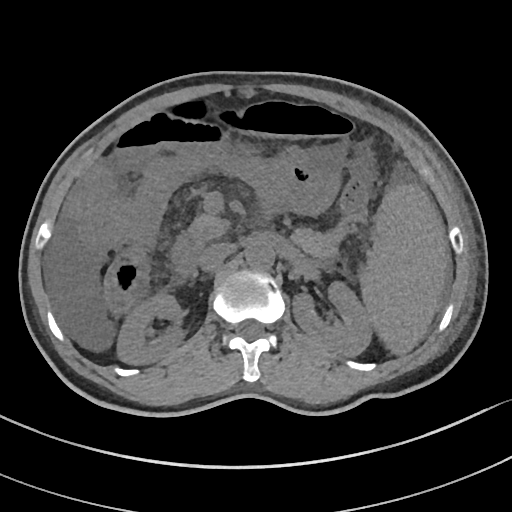
Abdominal CT; axial view
Coordinates as <box>x1,y1,x2,y2</box> in pixels.
inferior vena cava: <box>198,243,235,270</box>
spleen: <box>358,186,447,355</box>
duodenum: <box>171,232,203,279</box>
left kidney: <box>292,282,372,357</box>
right kidney: <box>116,292,185,365</box>
aorta: <box>246,243,275,270</box>
pancreas: <box>185,209,228,245</box>